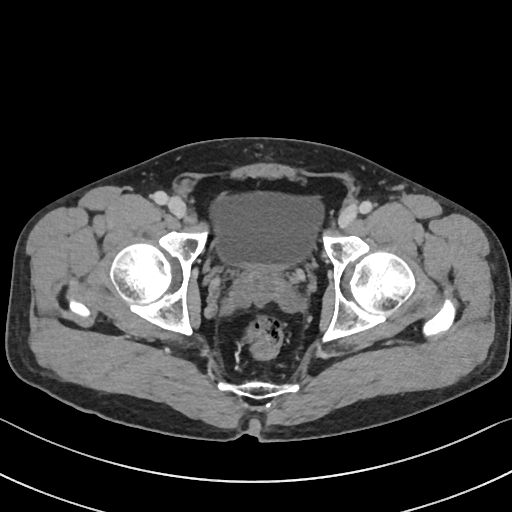
Abdominal CT · Axial slice 25/291 · 512x512 px
One row per box, in pixels: columns x1 and y1 give the top-left corner, x2 and y2 the bottom-right.
| organ | x1 | y1 | x2 | y2 |
|---|---|---|---|---|
| bladder | 211 | 191 | 323 | 267 |
| prostate/uterus | 236 | 267 | 282 | 292 |